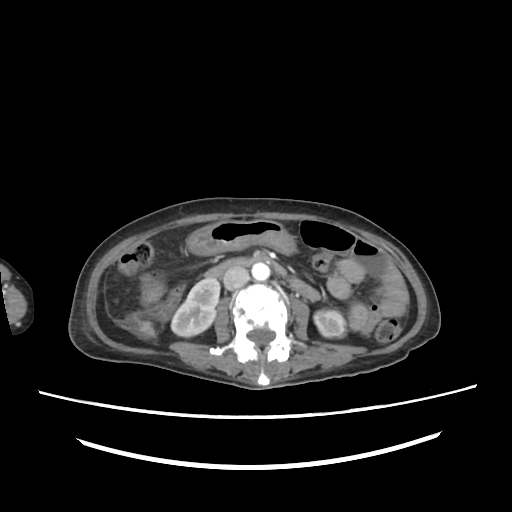
Abdominal CT — axial plane, index 48
<organs><organ name="right kidney" x1="171" y1="279" x2="219" y2="336"/><organ name="left kidney" x1="314" y1="310" x2="345" y2="337"/><organ name="liver" x1="138" y1="321" x2="155" y2="337"/><organ name="stomach" x1="186" y1="219" x2="295" y2="254"/><organ name="aorta" x1="252" y1="263" x2="269" y2="280"/><organ name="inferior vena cava" x1="223" y1="267" x2="249" y2="290"/><organ name="duodenum" x1="204" y1="256" x2="306" y2="290"/></organs>